Abdominal CT — Axial slice 10/126 — 512x512 px
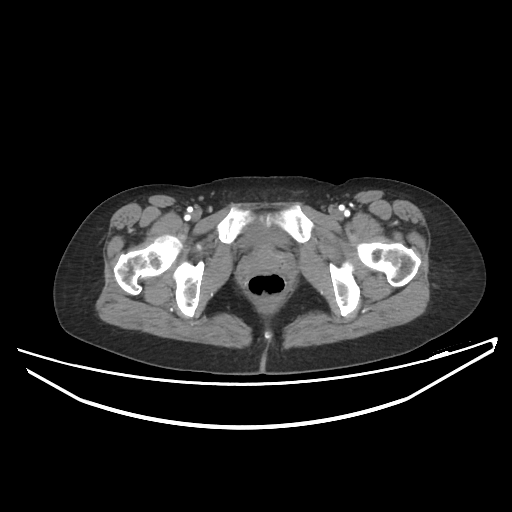 Bounding boxes in pixels, one row per box: x1, y1 is the top-left corner and x2, y2 the bottom-right.
| organ | x1 | y1 | x2 | y2 |
|---|---|---|---|---|
| bladder | 241 | 225 | 286 | 247 |